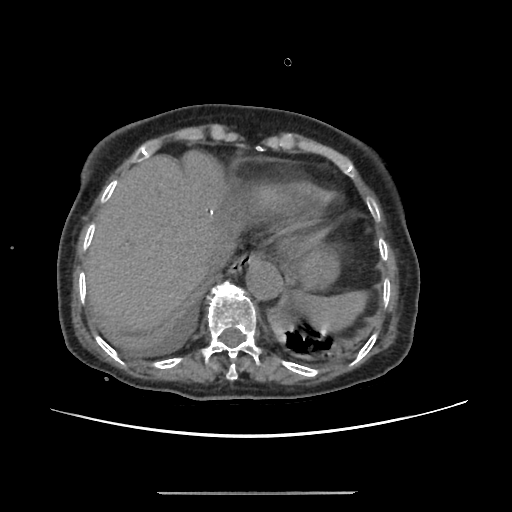

CT, abdomen/pelvis · Axial slice 303/353 · abdomen soft-tissue window
Coordinates as <box>x1,y1,x2,y2</box> in pixels.
Organ bounding boxes:
- spleen: <box>292,291,368,332</box>
- esophagus: <box>229,252,260,274</box>
- liver: <box>86,150,241,331</box>
- stomach: <box>288,245,340,290</box>
- aorta: <box>245,260,283,300</box>
- inferior vena cava: <box>205,236,236,269</box>